Abdominal CT · axial plane, index 138 · 512x512 px
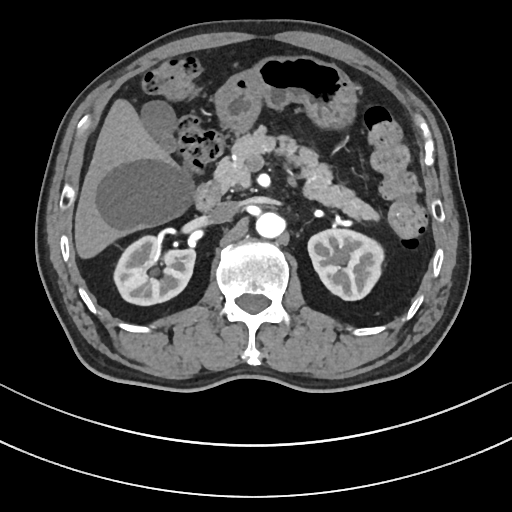
One row per box, in pixels: columns x1 and y1 give the top-left corner, x2 and y2 the bottom-right.
| organ | x1 | y1 | x2 | y2 |
|---|---|---|---|---|
| pancreas | 215 | 127 | 379 | 220 |
| liver | 74 | 99 | 192 | 258 |
| gall bladder | 140 | 101 | 175 | 151 |
| stomach | 215 | 55 | 356 | 133 |
| duodenum | 194 | 180 | 223 | 210 |
| left kidney | 308 | 228 | 383 | 300 |
| inferior vena cava | 209 | 201 | 236 | 223 |
| right kidney | 114 | 236 | 195 | 305 |
| aorta | 255 | 212 | 284 | 238 |